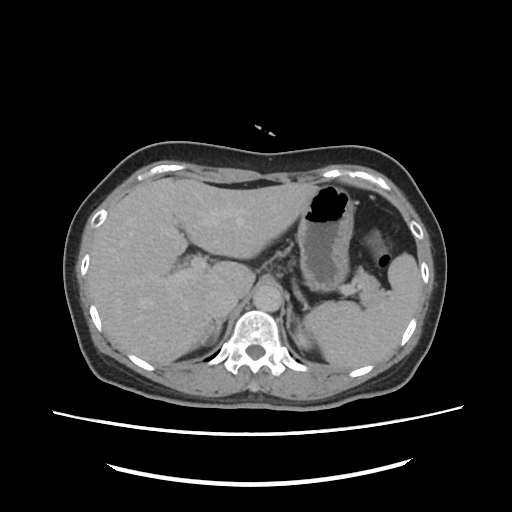

Abdominal CT. Axial slice 71/85. 512x512 px
One row per box, in pixels: columns x1 and y1 give the top-left corner, x2 and y2 the bottom-right.
| organ | x1 | y1 | x2 | y2 |
|---|---|---|---|---|
| spleen | 305 | 254 | 421 | 368 |
| left kidney | 293 | 330 | 311 | 348 |
| liver | 88 | 179 | 319 | 364 |
| stomach | 297 | 184 | 353 | 291 |
| aorta | 253 | 284 | 282 | 312 |
| inferior vena cava | 210 | 286 | 238 | 318 |
| pancreas | 353 | 267 | 383 | 304 |
| right adrenal gland | 201 | 316 | 226 | 344 |
| left adrenal gland | 286 | 293 | 301 | 331 |